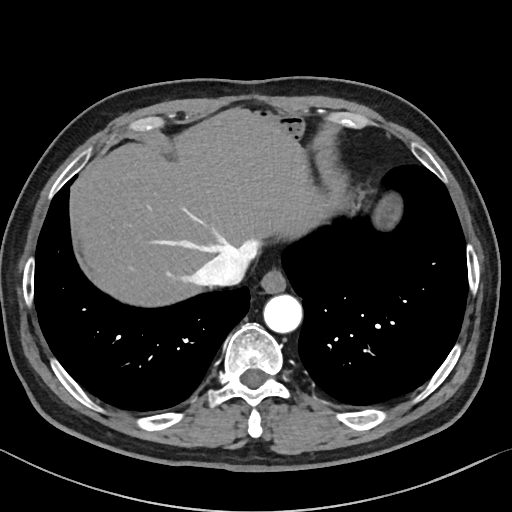

Computed tomography, abdomen. axial plane, index 192. scan has 15 labeled organs (counted over the whole 3D scan, not this slice; an organ is boxed only where this slice passes through it)
<organs><organ name="esophagus" x1="260" y1="270" x2="286" y2="293"/><organ name="liver" x1="79" y1="109" x2="332" y2="306"/><organ name="aorta" x1="263" y1="295" x2="302" y2="333"/><organ name="inferior vena cava" x1="196" y1="246" x2="256" y2="285"/></organs>